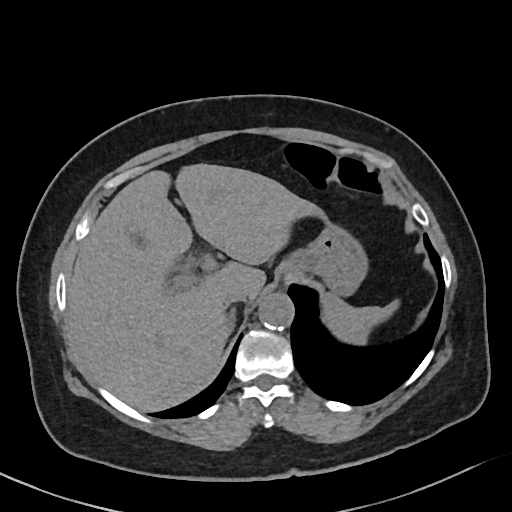

Computed tomography, abdomen · axial view · soft-tissue window · 512x512 px
<organs><organ name="spleen" x1="321" y1="293" x2="397" y2="346"/><organ name="gall bladder" x1="129" y1="226" x2="144" y2="244"/><organ name="liver" x1="67" y1="163" x2="324" y2="412"/><organ name="stomach" x1="285" y1="224" x2="367" y2="293"/><organ name="aorta" x1="259" y1="292" x2="294" y2="328"/><organ name="inferior vena cava" x1="223" y1="284" x2="252" y2="302"/><organ name="right adrenal gland" x1="223" y1="304" x2="235" y2="339"/></organs>